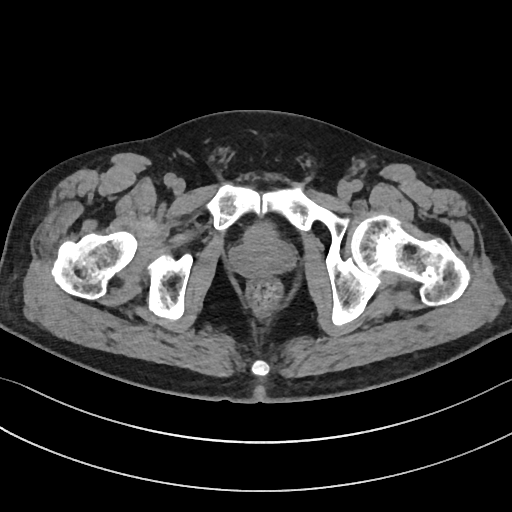

CT abdomen; axial view; scan has 15 labeled organs (counted over the whole 3D scan, not this slice; an organ is boxed only where this slice passes through it)
{"organs":{"bladder":[245,223,275,236],"prostate/uterus":[231,236,291,277]}}